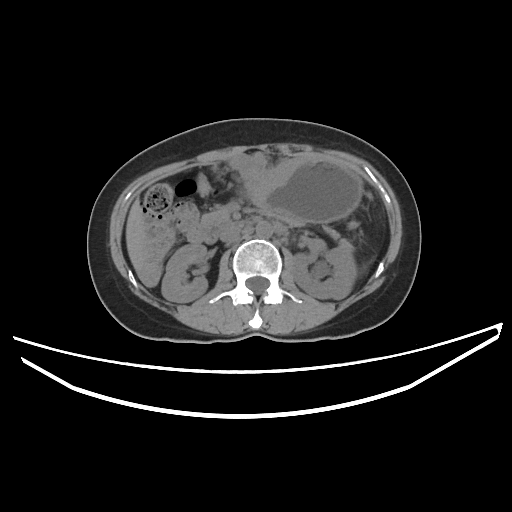
CT abdomen; Axial slice 57/81; 512x512 px; 50-year-old female patient
{"organs":{"pancreas":[201,209,228,225],"stomach":[247,157,362,224],"duodenum":[187,216,260,243],"inferior vena cava":[220,226,240,242],"liver":[126,199,147,273],"right kidney":[162,244,207,302],"left kidney":[292,245,356,299],"aorta":[256,221,272,238]}}